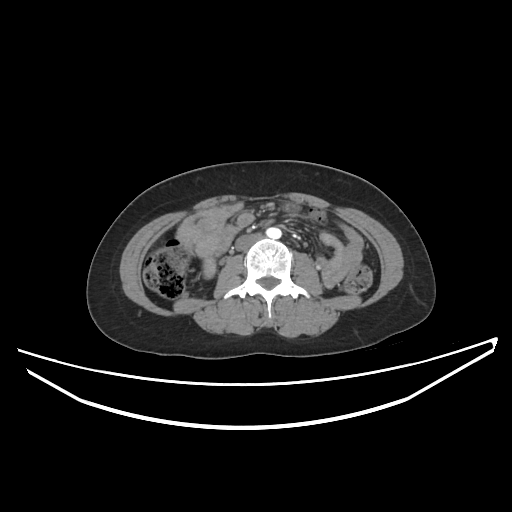 Computed tomography, abdomen; axial view
{"organs":{"aorta":[266,228,281,238],"inferior vena cava":[235,234,260,250]}}